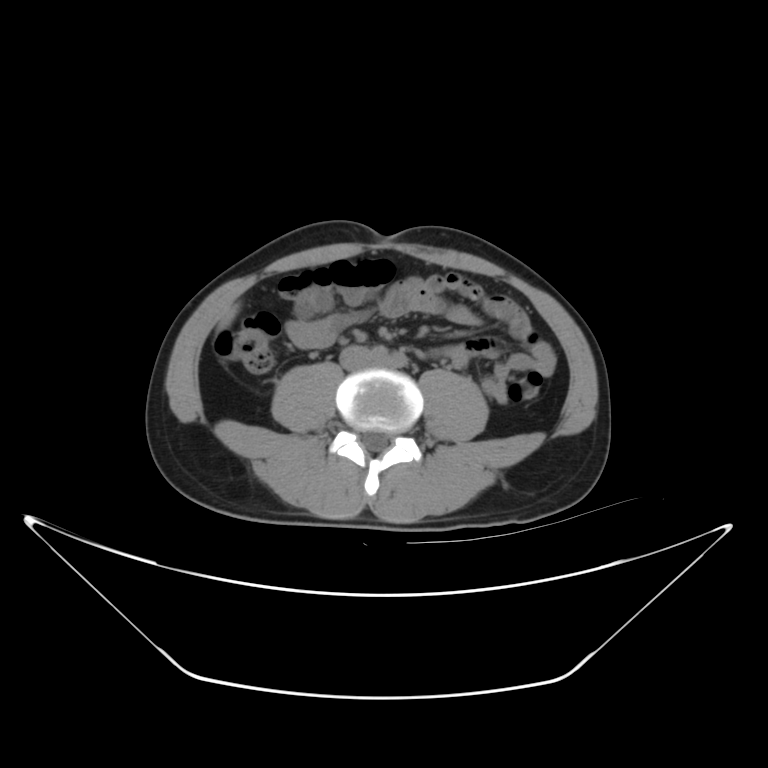
CT abdomen — axial view — W/L 400/40 HU — 31-year-old male patient
<organs><organ name="liver" x1="216" y1="301" x2="238" y2="329"/><organ name="inferior vena cava" x1="335" y1="346" x2="368" y2="369"/></organs>